CT of the abdomen reaching into the lower chest, slice just above the liver and spleen. axial plane, index 78. W/L 400/40 HU. 512x512 px
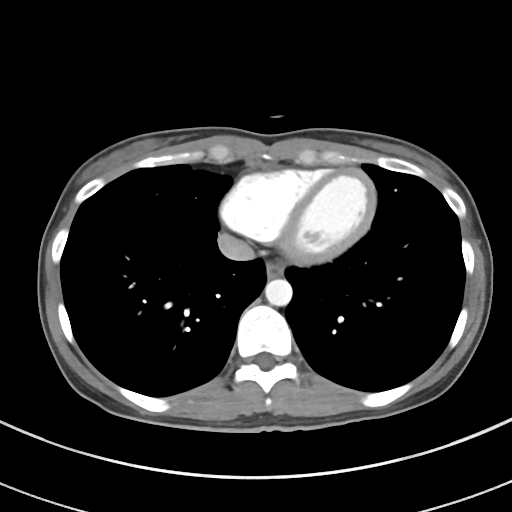 The heart and lungs are never labeled in this dataset, so they have no box on this slice.
Bounding boxes as [x1, y1, x2, y2] in pixel coordinates.
Organ bounding boxes:
- esophagus: [265, 261, 283, 278]
- aorta: [264, 278, 292, 306]
- inferior vena cava: [217, 233, 254, 261]